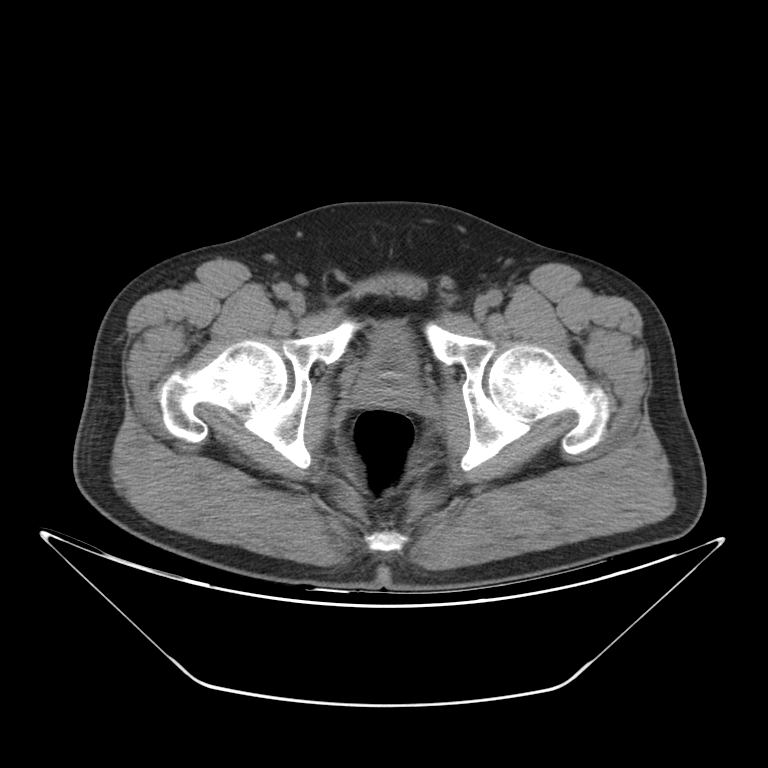

Computed tomography, abdomen · axial plane, index 23 · 768x768 px · Brilliance16 scanner · scan has 15 labeled organs (counted over the whole 3D scan, not this slice; an organ is boxed only where this slice passes through it)
Box edges are left/top/right/bottom in pixels.
Organ bounding boxes:
- bladder: left=367, top=322, right=416, bottom=372
- prostate/uterus: left=358, top=369, right=415, bottom=403